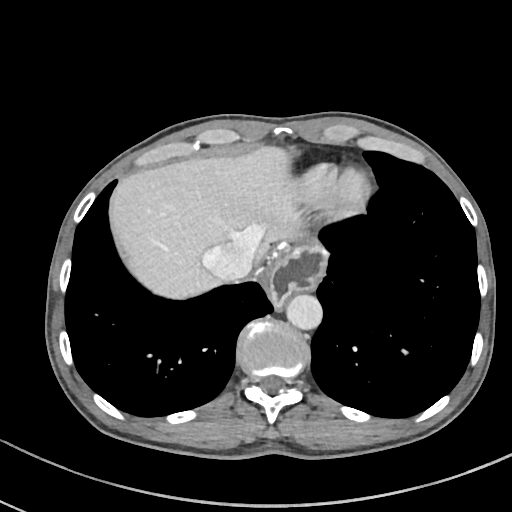
CT abdomen; axial view; abdomen soft-tissue window; 512x512 px; acquired on SOMATOM Force; scan has 15 labeled organs (a whole-scan count: organs this slice does not pass through have no box)
<organs><organ name="stomach" x1="269" y1="245" x2="324" y2="306"/><organ name="aorta" x1="286" y1="294" x2="322" y2="329"/><organ name="liver" x1="114" y1="146" x2="302" y2="298"/><organ name="inferior vena cava" x1="204" y1="241" x2="254" y2="281"/></organs>